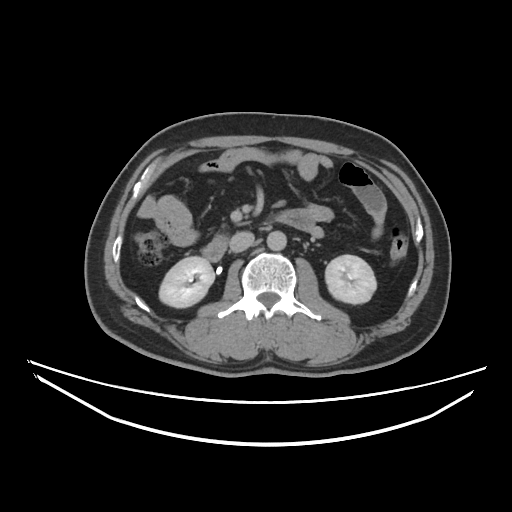
Abdominal CT. axial view. abdomen soft-tissue window. 55-year-old male patient. scan has 15 labeled organs (a whole-scan count: organs this slice does not pass through have no box)
Bounding boxes as [x1, y1, x2, y2] in pixel coordinates.
right kidney: [158, 256, 215, 307]
aorta: [267, 231, 287, 251]
inferior vena cava: [229, 231, 253, 252]
left kidney: [325, 255, 376, 303]
duodenum: [203, 209, 314, 262]